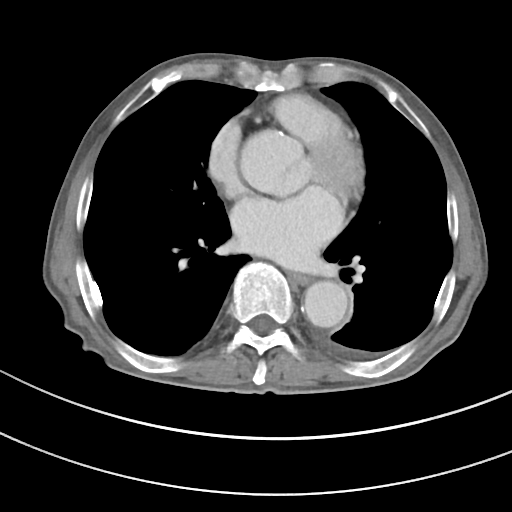

Chest-level CT slice, above the liver and spleen. axial view. soft-tissue window. 512x512 px
On a slice this high in the chest, this dataset labels only the esophagus and the aorta, and each is boxed only where it is labeled; the heart, lungs and other chest structures are not labeled.
<organs><organ name="esophagus" x1="289" y1="273" x2="309" y2="284"/><organ name="aorta" x1="302" y1="281" x2="348" y2="327"/></organs>